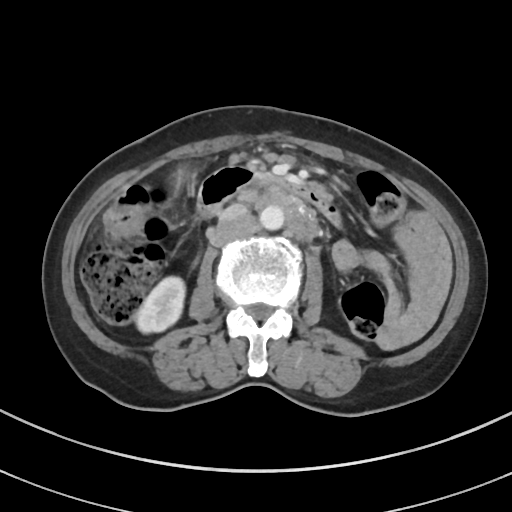 Computed tomography, abdomen · axial plane, index 49 · soft-tissue window · acquired on SOMATOM Force · 15 organs annotated in this scan (a whole-scan count: organs this slice does not pass through have no box)
<organs><organ name="right kidney" x1="135" y1="276" x2="184" y2="332"/><organ name="stomach" x1="170" y1="167" x2="191" y2="189"/><organ name="aorta" x1="260" y1="205" x2="284" y2="230"/><organ name="inferior vena cava" x1="220" y1="203" x2="247" y2="219"/><organ name="duodenum" x1="198" y1="167" x2="341" y2="224"/></organs>